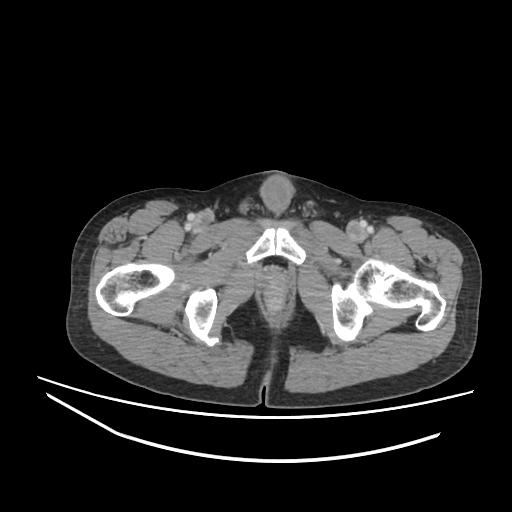
CT abdomen · axial view · W/L 400/40 HU · acquired on Aquilion ONE
{"organs":{"prostate/uterus":[263,270,287,294]}}